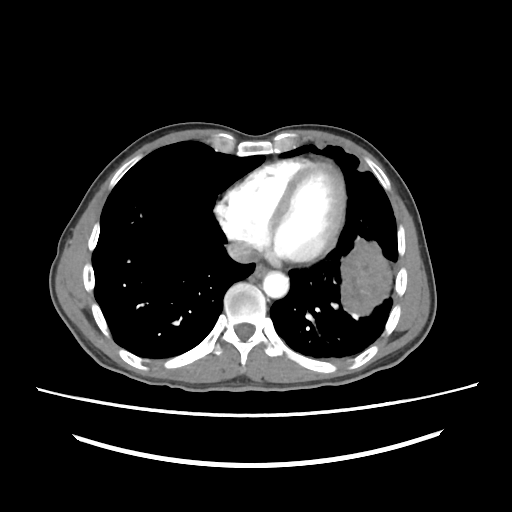 Abdominal CT; this slice is in the lower chest, just above the liver — axial view — W/L 400/40 HU — 512x512 px — 51-year-old male patient — 13 organs annotated in this scan (that count is for the whole scan; organs this slice misses have no box)
Of the structures in the chest, this dataset labels only the esophagus, the aorta and the inferior vena cava; the heart and lungs have no label.
Bounding boxes in pixels, one row per box: x1, y1 is the top-left corner and x2, y2 the bottom-right.
| organ | x1 | y1 | x2 | y2 |
|---|---|---|---|---|
| esophagus | 253 | 262 | 269 | 277 |
| aorta | 262 | 271 | 288 | 299 |
| inferior vena cava | 228 | 242 | 259 | 262 |